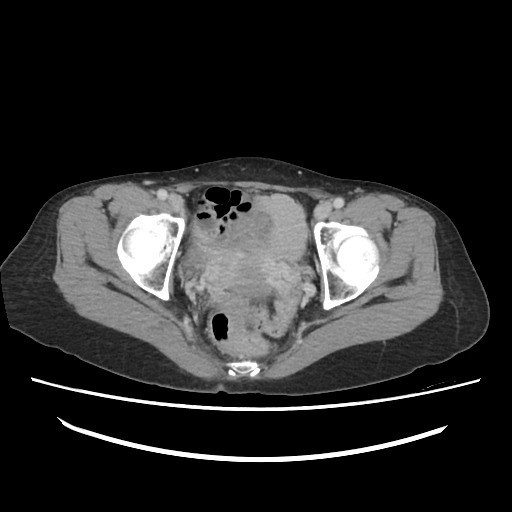
CT abdomen — Axial slice 17/82 — W/L 400/40 HU
Organ boxes in pixel coordinates; each row gives the top-left (x1, y1) and bottom-right (x2, y2) corners.
| organ | x1 | y1 | x2 | y2 |
|---|---|---|---|---|
| prostate/uterus | 227 | 254 | 270 | 295 |